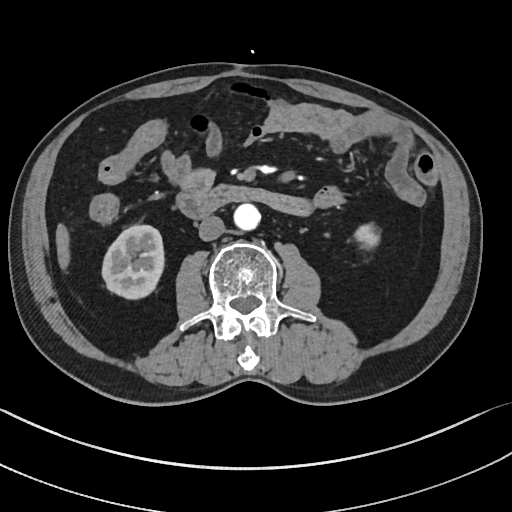
CT abdomen; axial view; 512x512 px
Boxes are (x1, y1, x2, y2) in pixels.
inferior vena cava: (198, 215, 224, 241)
left kidney: (354, 223, 379, 247)
right kidney: (101, 224, 165, 300)
liver: (55, 222, 69, 268)
duodenum: (174, 187, 311, 219)
aorta: (233, 204, 260, 231)